CT, abdomen/pelvis. axial view. soft-tissue window. 512x512 px. SOMATOM Force scanner. scan has 15 labeled organs (that count is for the whole scan; organs this slice misses have no box)
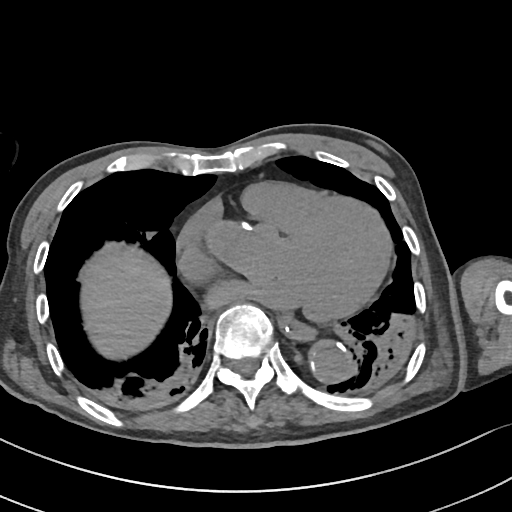

{"organs":{"esophagus":[277,314,313,337],"aorta":[308,340,350,380],"liver":[79,244,171,357]}}